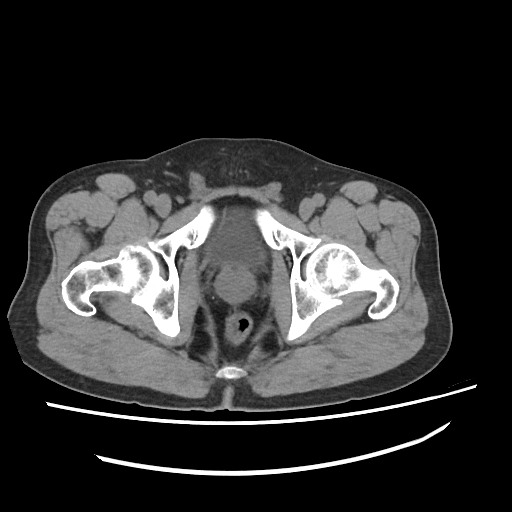
Abdominal CT. axial view. 45-year-old male patient. acquired on Aquilion ONE
{"organs":{"prostate/uterus":[214,266,253,298],"bladder":[210,224,256,264]}}